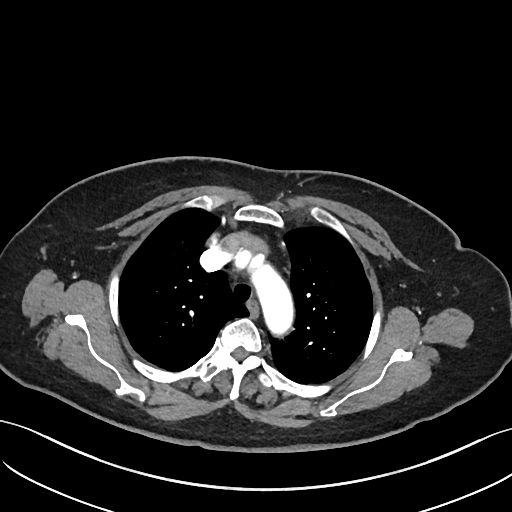 Chest-level CT slice, above the liver and spleen; Axial slice 247/276; W/L 400/40 HU; 15 organs annotated in this scan (counted over the whole 3D scan, not this slice; an organ is boxed only where this slice passes through it)
At this level of the chest no structure but the esophagus and the aorta has a label in this dataset, and those two are boxed only where they are labeled.
{"organs":{"esophagus":[247,300,258,315],"aorta":[250,264,292,335]}}